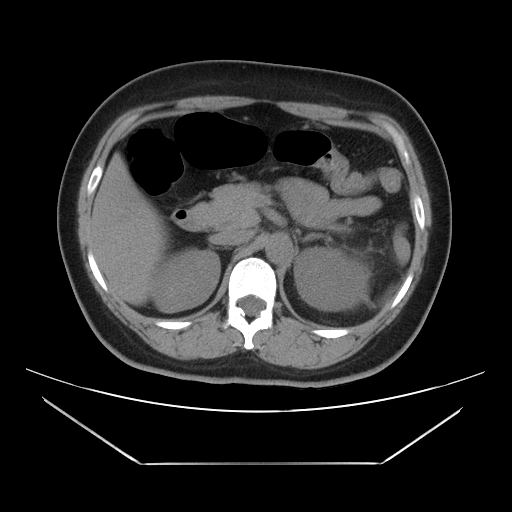 Computed tomography, abdomen. Axial slice 68/93
Each box given as x1,y1,x2,y2.
right kidney: x1=152, y1=250, x2=220, y2=312
left kidney: x1=294, y1=247, x2=369, y2=311
liver: x1=90, y1=153, x2=167, y2=305
aorta: x1=265, y1=233, x2=292, y2=264
inferior vena cava: x1=213, y1=228, x2=252, y2=245
pancreas: x1=199, y1=182, x2=264, y2=227
left adrenal gland: x1=301, y1=233, x2=320, y2=241
duodenum: x1=171, y1=205, x2=210, y2=231